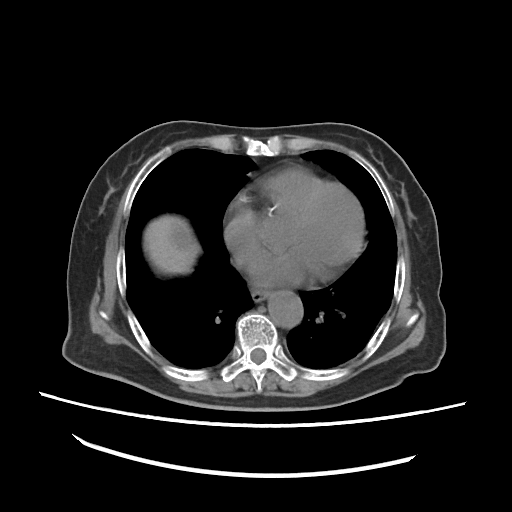 Abdominal CT. axial plane, index 91. soft-tissue window (W 400 / L 40). 512x512 px. 75-year-old female patient. scan has 15 labeled organs (counted over the whole 3D scan, not this slice; an organ is boxed only where this slice passes through it)
<organs><organ name="esophagus" x1="253" y1="290" x2="268" y2="300"/><organ name="liver" x1="143" y1="215" x2="200" y2="274"/><organ name="aorta" x1="267" y1="288" x2="304" y2="327"/></organs>